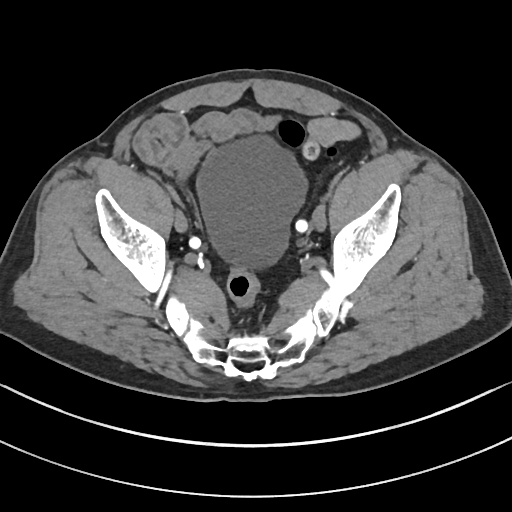

CT, abdomen/pelvis. axial view
Bounding boxes in pixels, one row per box: x1, y1 is the top-left corner and x2, y2 the bottom-right.
| organ | x1 | y1 | x2 | y2 |
|---|---|---|---|---|
| bladder | 197 | 137 | 306 | 267 |